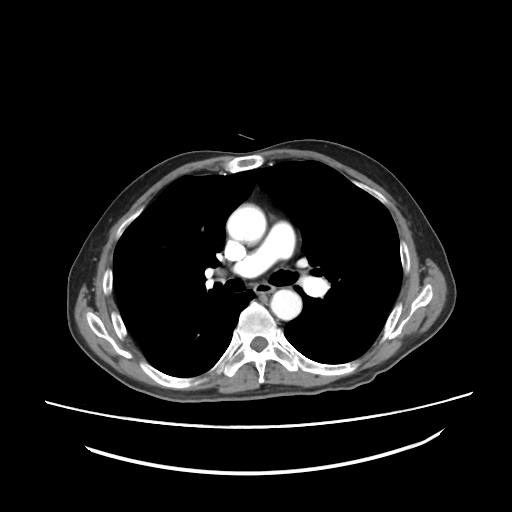
Chest-level slice from an abdominal CT that extends up into the chest. axial plane, index 106. soft-tissue window, W/L 400/40. 512x512 px. 68-year-old male patient
At this level of the chest this dataset labels only the esophagus and the aorta, and each is boxed only where it is labeled; the heart and lungs are never labeled.
Boxes: x1 y1 x2 y2 (pixel coords, space-separated).
Organ bounding boxes:
- esophagus: 254 284 274 293
- aorta: 227 204 266 244
- aorta: 270 289 301 320